CT of the abdomen extending into the chest, slice through the chest; axial view
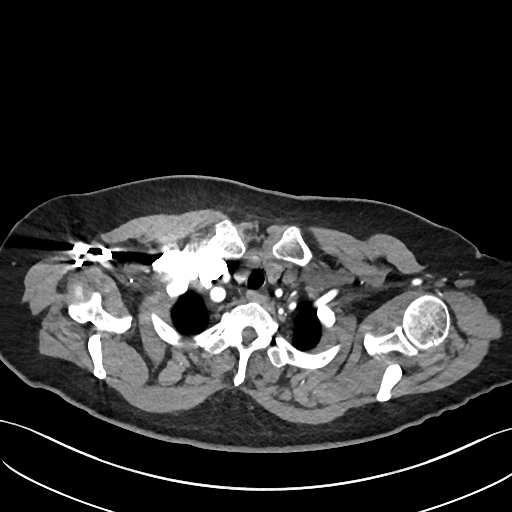

At this level of the chest this dataset labels only the esophagus and the aorta, and each is boxed only where it is labeled; the heart and lungs are never labeled.
{"organs":{"esophagus":[246,290,267,301]}}